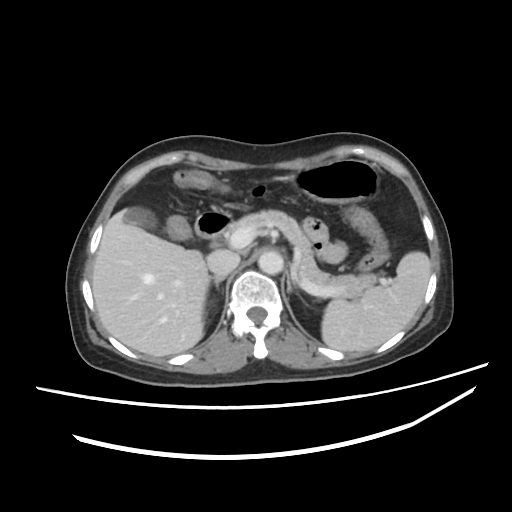

CT, abdomen/pelvis. Axial slice 70/118. abdomen soft-tissue window
Boxes are (x1, y1, x2, y2) in pixels. Labeled organs on this slice: spleen at (321, 251, 431, 352), gall bladder at (125, 207, 156, 229), liver at (92, 209, 209, 356), stomach at (290, 160, 379, 203), aorta at (258, 250, 283, 274), inferior vena cava at (207, 250, 240, 276), pancreas at (230, 210, 376, 298), right adrenal gland at (209, 276, 225, 287), left adrenal gland at (287, 274, 294, 292), duodenum at (195, 210, 231, 239).